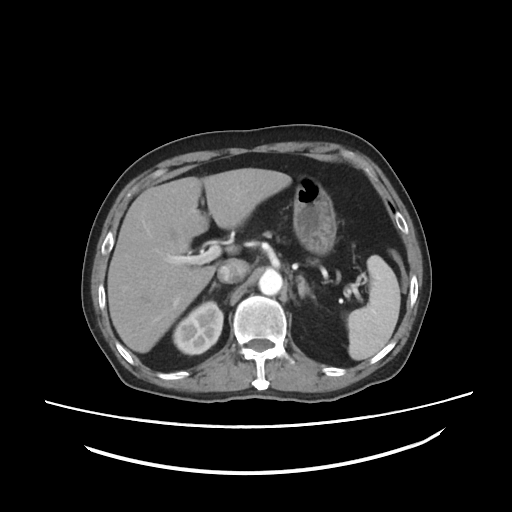

Abdominal CT. axial view
Box edges are left/top/right/bottom in pixels.
spleen: left=347, top=255, right=400, bottom=360
right kidney: left=173, top=301, right=223, bottom=354
liver: left=107, top=168, right=291, bottom=352
stomach: left=293, top=176, right=336, bottom=254
aorta: left=258, top=269, right=282, bottom=295
inferior vena cava: left=217, top=258, right=248, bottom=283
right adrenal gland: left=209, top=282, right=218, bottom=291
left adrenal gland: left=297, top=275, right=315, bottom=299